Abdominal MRI — coronal view — percentile-normalized — 260x320 px — acquired on Prisma — 13 organs annotated in this scan (that count is for the whole scan; organs this slice misses have no box)
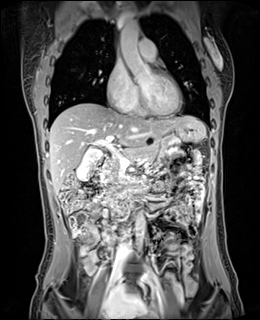 One row per box, in pixels: columns x1 and y1 give the top-left corner, x2 and y2 the bottom-right.
| organ | x1 | y1 | x2 | y2 |
|---|---|---|---|---|
| gall bladder | 76 | 147 | 102 | 181 |
| liver | 49 | 103 | 205 | 194 |
| stomach | 174 | 122 | 203 | 142 |
| aorta | 118 | 21 | 151 | 78 |
| aorta | 135 | 213 | 144 | 247 |
| inferior vena cava | 120 | 228 | 129 | 239 |
| pancreas | 101 | 143 | 158 | 184 |
| duodenum | 100 | 156 | 143 | 196 |